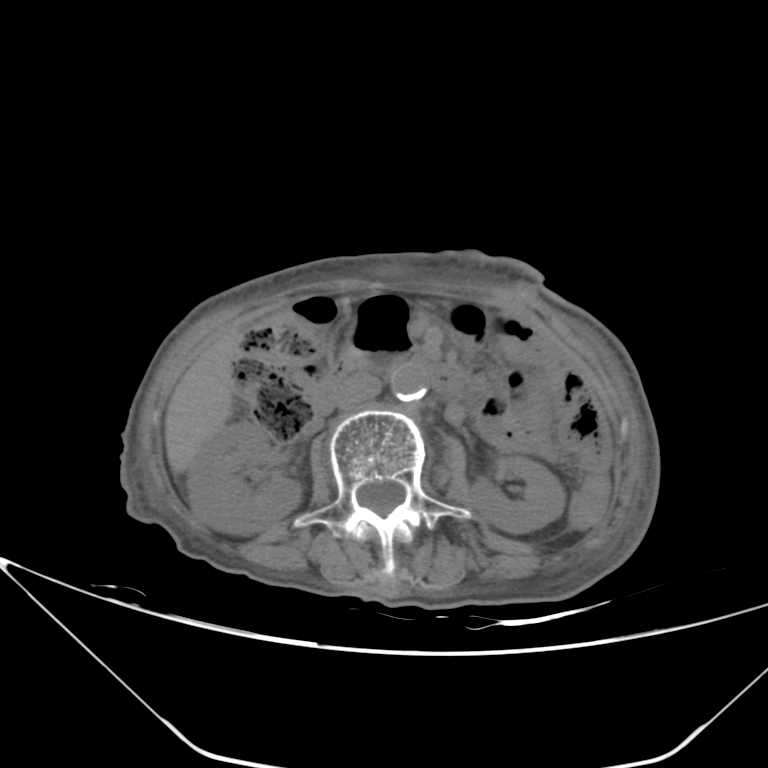

CT abdomen — axial view — soft-tissue window — 80-year-old female patient — 14 organs annotated in this scan (a whole-scan count: organs this slice does not pass through have no box)
Organ boxes in pixel coordinates; each row gives the top-left (x1, y1) and bottom-right (x2, y2) corners.
| organ | x1 | y1 | x2 | y2 |
|---|---|---|---|---|
| left kidney | 469 | 456 | 565 | 533 |
| aorta | 390 | 363 | 428 | 401 |
| inferior vena cava | 332 | 374 | 381 | 410 |
| duodenum | 312 | 358 | 465 | 416 |
| right kidney | 186 | 421 | 301 | 534 |
| pancreas | 343 | 350 | 366 | 358 |
| liver | 164 | 329 | 241 | 473 |